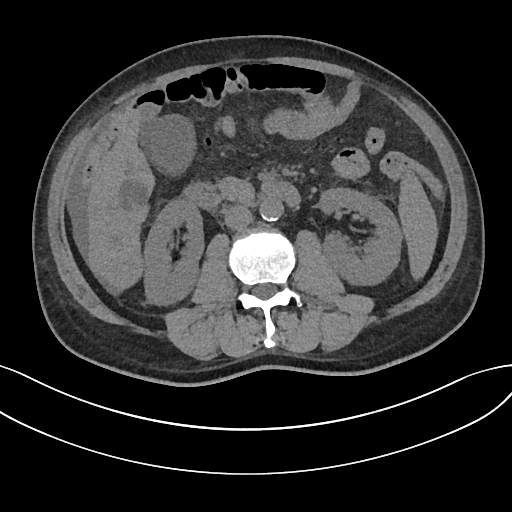

Abdominal CT — Axial slice 121/213 — soft-tissue window — 512x512 px — scan has 15 labeled organs (counted over the whole 3D scan, not this slice; an organ is boxed only where this slice passes through it)
Each box given as x1,y1,x2,y2.
spleen: x1=398, y1=166, x2=438, y2=278
right kidney: x1=144, y1=200, x2=203, y2=305
left kidney: x1=320, y1=187, x2=402, y2=286
gall bladder: x1=140, y1=114, x2=196, y2=177
liver: x1=85, y1=120, x2=156, y2=290
aorta: x1=259, y1=198, x2=282, y2=221
inferior vena cava: x1=222, y1=205, x2=252, y2=230
pancreas: x1=210, y1=176, x2=256, y2=203
duodenum: x1=182, y1=182, x2=301, y2=209